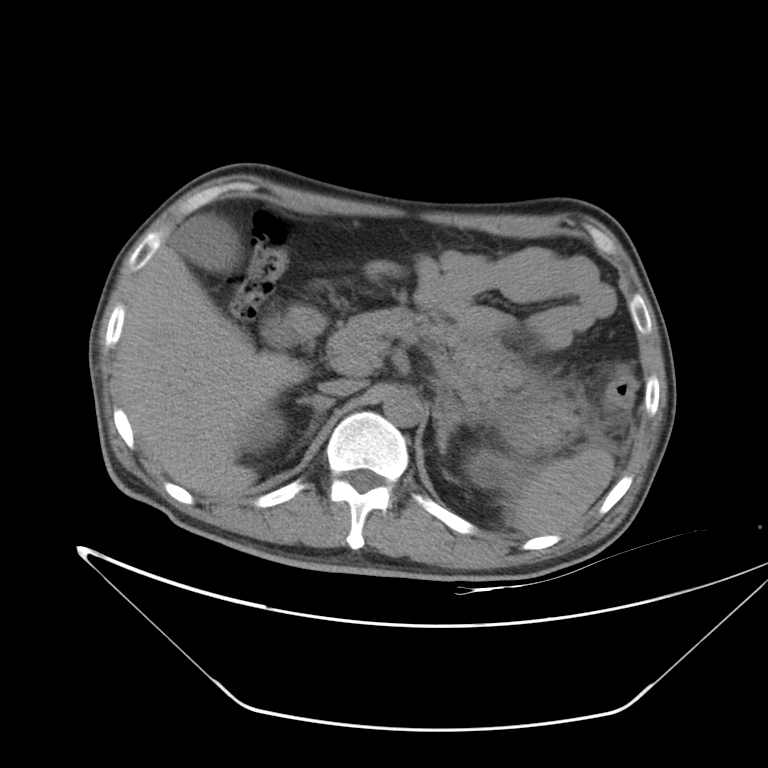 Abdominal CT · Axial slice 77/107 · abdomen soft-tissue window · 768x768 px
{"organs":{"spleen":[512,448,614,535],"right adrenal gland":[296,395,334,433],"right kidney":[244,413,284,449],"pancreas":[327,307,579,446],"gall bladder":[172,217,296,349],"inferior vena cava":[319,379,362,396],"duodenum":[289,306,326,377],"left adrenal gland":[433,410,458,455],"left kidney":[469,452,498,484],"liver":[117,217,297,498],"aorta":[383,389,423,427]}}